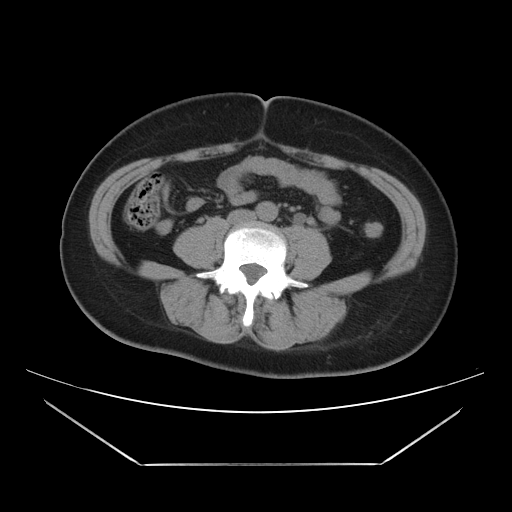

CT abdomen; axial view; 512x512 px; scan has 15 labeled organs (a whole-scan count: organs this slice does not pass through have no box)
Bounding boxes as [x1, y1, x2, y2] in pixel coordinates.
aorta: [255, 201, 277, 221]
inferior vena cava: [228, 209, 254, 224]